Abdominal MR; axial plane, index 9; 576x468 px
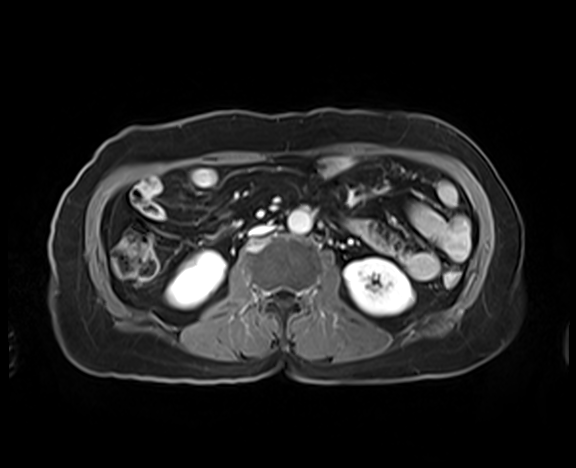

{"organs":{"left kidney":[344,258,414,315],"inferior vena cava":[250,225,271,235],"right kidney":[166,251,225,308],"aorta":[288,210,311,234]}}